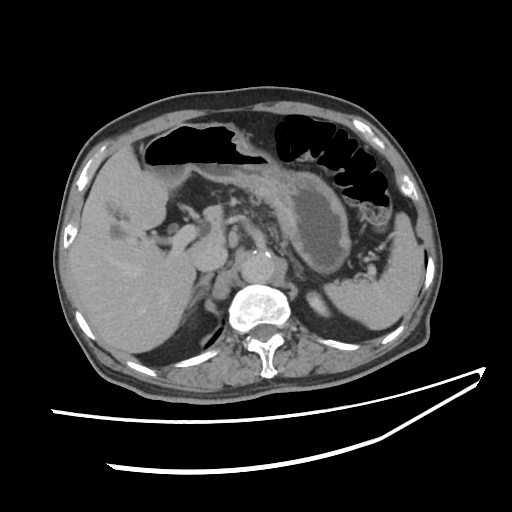

Abdominal CT · axial plane, index 73 · W/L 400/40 HU
{"organs":{"spleen":[324,213,422,329],"left kidney":[306,290,330,316],"gall bladder":[107,204,128,222],"liver":[67,140,225,352],"stomach":[141,121,351,276],"aorta":[241,255,275,283],"inferior vena cava":[195,244,227,270],"right adrenal gland":[189,271,213,304]}}